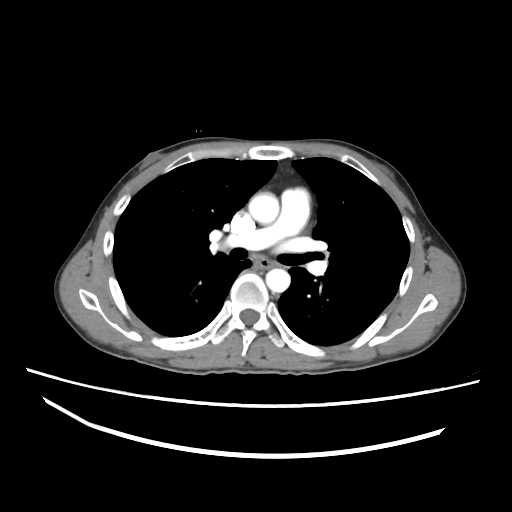 Abdominal CT reaching into the chest; this slice is in the chest; axial plane, index 112; 512x512 px; 40-year-old male patient; acquired on Aquilion ONE
At this level of the chest this dataset labels only the esophagus and the aorta, and each is boxed only where it is labeled; the heart and lungs are never labeled.
Organ boxes in pixel coordinates; each row gives the top-left (x1, y1) and bottom-right (x2, y2) corners.
| organ | x1 | y1 | x2 | y2 |
|---|---|---|---|---|
| esophagus | 252 | 255 | 275 | 269 |
| aorta | 248 | 192 | 279 | 224 |
| aorta | 266 | 268 | 290 | 292 |